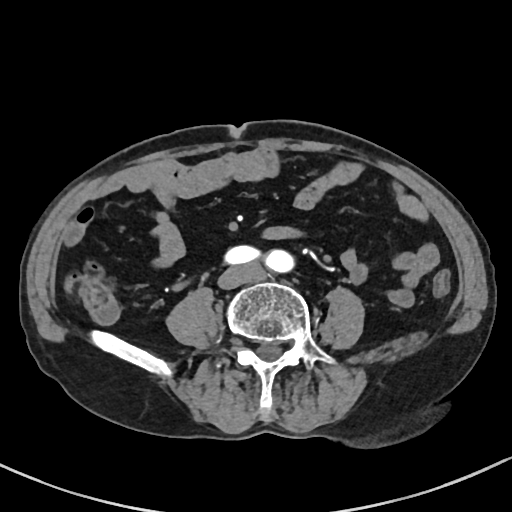

Computed tomography, abdomen. Axial slice 110/303. 512x512 px. SOMATOM Force scanner
<organs><organ name="aorta" x1="228" y1="263" x2="278" y2="272"/><organ name="inferior vena cava" x1="227" y1="264" x2="265" y2="281"/></organs>